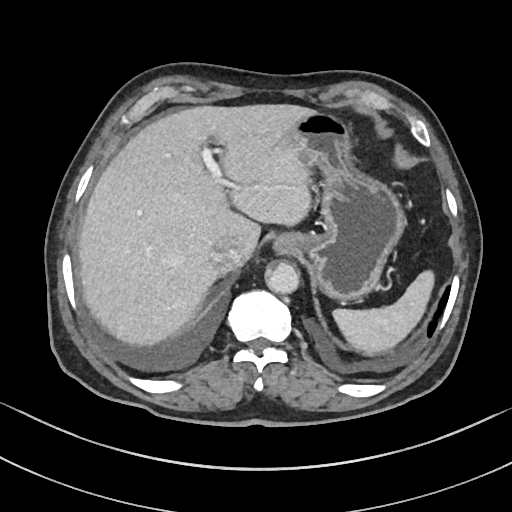 Computed tomography, abdomen — axial view — soft-tissue window
Bounding boxes as [x1, y1, x2, y2] in pixel coordinates. Labeled organs on this slice: spleen at [334, 271, 433, 352], esophagus at [271, 234, 299, 254], liver at [78, 105, 312, 343], stomach at [290, 112, 405, 300], aorta at [265, 261, 300, 294], inferior vena cava at [209, 237, 243, 272].